Computed tomography, abdomen · Axial slice 165/314
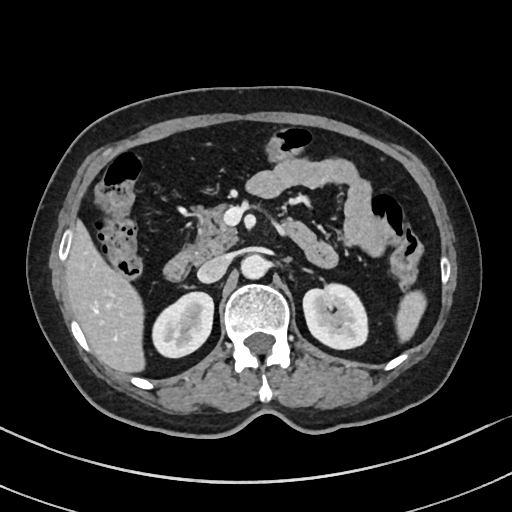

{"organs":{"left adrenal gland":[302,269,312,273],"spleen":[397,292,424,342],"duodenum":[166,248,194,281],"inferior vena cava":[196,255,230,282],"liver":[65,217,145,373],"aorta":[241,255,268,280],"pancreas":[189,204,236,259],"right kidney":[154,293,213,357],"left kidney":[302,282,367,349]}}